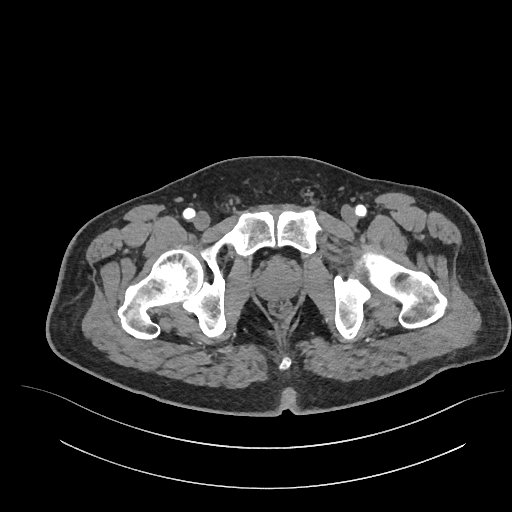 Computed tomography, abdomen · axial view · soft-tissue window · SOMATOM Force scanner
Boxes are (x1, y1, x2, y2) in pixels.
Organ bounding boxes:
- prostate/uterus: (258, 263, 298, 298)